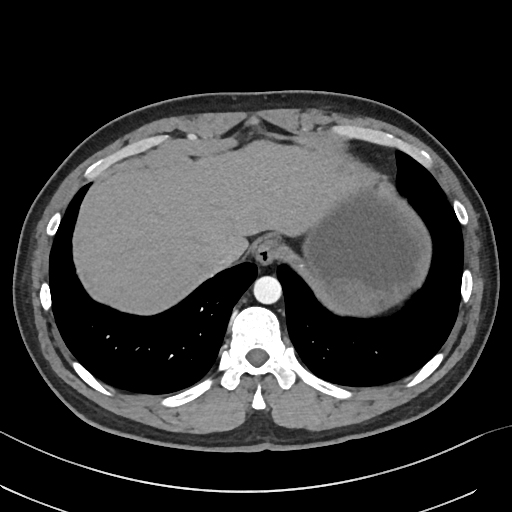 Computed tomography, abdomen. axial plane, index 191. soft-tissue window (W 400 / L 40). acquired on SOMATOM Force
Organ boxes in pixel coordinates; each row gives the top-left (x1, y1) and bottom-right (x2, y2) corners.
| organ | x1 | y1 | x2 | y2 |
|---|---|---|---|---|
| esophagus | 254 | 236 | 282 | 264 |
| inferior vena cava | 210 | 245 | 241 | 269 |
| stomach | 305 | 175 | 432 | 316 |
| aorta | 253 | 276 | 281 | 304 |
| liver | 78 | 140 | 358 | 314 |